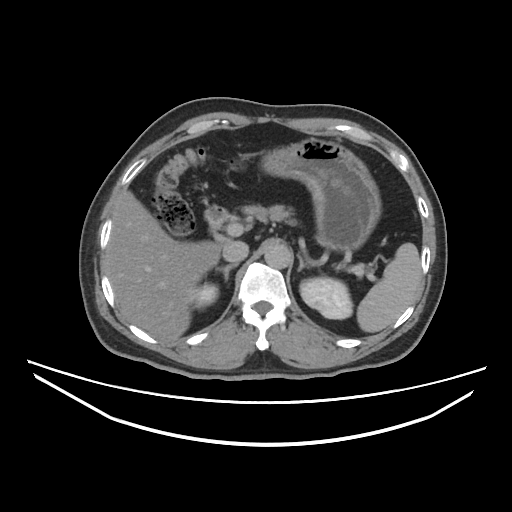

CT, abdomen/pelvis — axial view — Aquilion ONE scanner — 15 organs annotated in this scan (counted over the whole 3D scan, not this slice; an organ is boxed only where this slice passes through it)
Box edges are left/top/right/bottom in pixels.
Organ bounding boxes:
- pancreas: left=242, top=205, right=296, bottom=225
- left adrenal gland: left=297, top=255, right=313, bottom=270
- left kidney: left=299, top=278, right=353, bottom=319
- right adrenal gland: left=215, top=263, right=237, bottom=282
- spleen: left=356, top=242, right=419, bottom=332
- duodenum: left=204, top=205, right=225, bottom=230
- aorta: left=265, top=243, right=289, bottom=268
- right kidney: left=191, top=283, right=219, bottom=307
- liver: left=108, top=189, right=224, bottom=341
- stomach: left=262, top=139, right=381, bottom=251
- inferior vena cava: left=223, top=240, right=248, bottom=264